Abdominal CT; Axial slice 148/245; 512x512 px; 15 organs annotated in this scan (counted over the whole 3D scan, not this slice; an organ is boxed only where this slice passes through it)
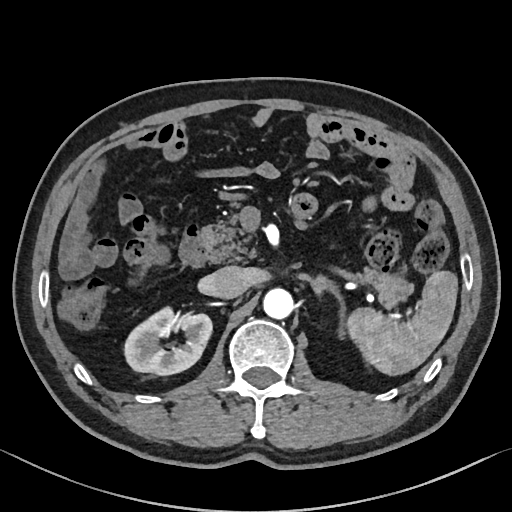
{"organs":{"spleen":[346,270,458,375],"right kidney":[125,308,212,375],"aorta":[263,288,294,319],"inferior vena cava":[206,266,249,299],"pancreas":[204,202,412,306],"left adrenal gland":[310,275,345,341],"duodenum":[178,221,208,266]}}